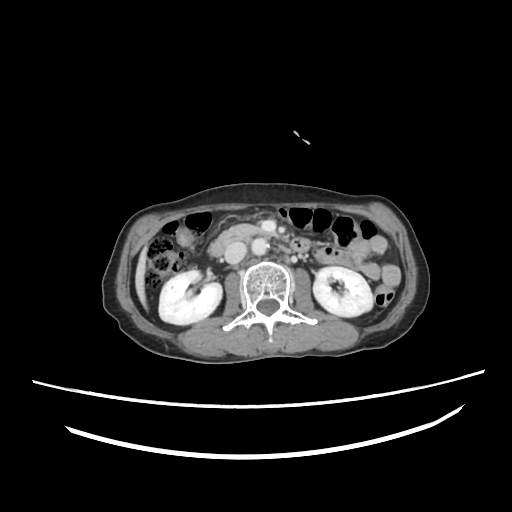

Computed tomography, abdomen. axial view. 68-year-old female patient
Bounding boxes in pixels, one row per box: x1, y1 is the top-left corner and x2, y2 the bottom-right.
| organ | x1 | y1 | x2 | y2 |
|---|---|---|---|---|
| pancreas | 216 | 223 | 272 | 244 |
| liver | 136 | 248 | 146 | 306 |
| right kidney | 159 | 271 | 221 | 323 |
| inferior vena cava | 224 | 240 | 246 | 264 |
| aorta | 251 | 238 | 269 | 254 |
| left kidney | 312 | 267 | 373 | 316 |
| duodenum | 208 | 241 | 225 | 256 |